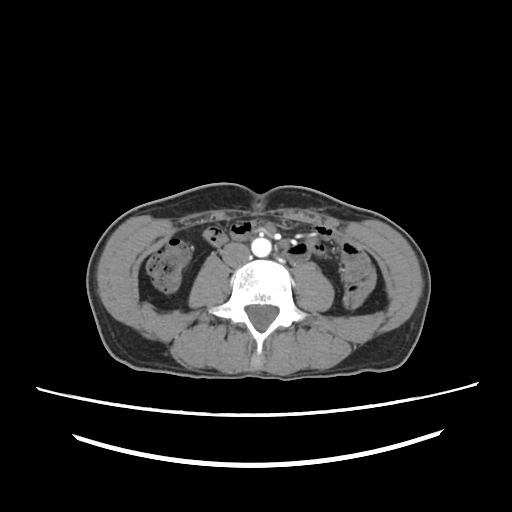

Abdominal CT · axial view · 13 organs annotated in this scan (counted over the whole 3D scan, not this slice; an organ is boxed only where this slice passes through it)
Bounding boxes in pixels, one row per box: x1, y1 is the top-left corner and x2, y2 the bottom-right.
| organ | x1 | y1 | x2 | y2 |
|---|---|---|---|---|
| aorta | 251 | 236 | 271 | 256 |
| inferior vena cava | 220 | 242 | 250 | 266 |